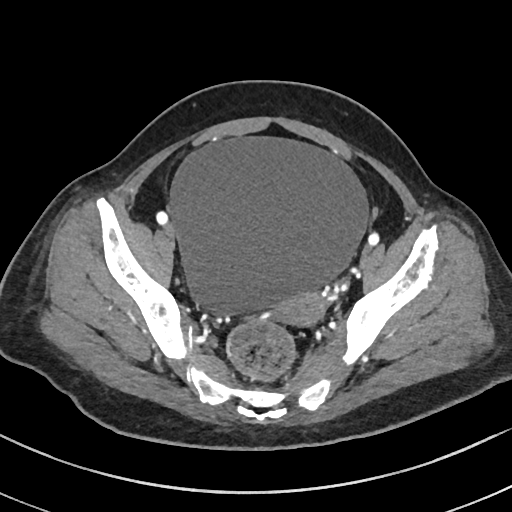

CT abdomen · axial view
Coordinates as <box>x1,y1,x2,y2</box> in pixels.
bladder: <box>169,136,370,318</box>
prostate/uterus: <box>273,292,329,327</box>